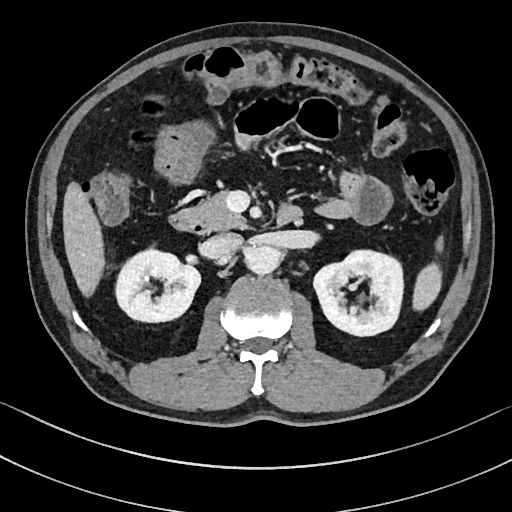 CT abdomen; axial plane, index 148; W/L 400/40 HU
{"organs":{"spleen":[413,237,442,310],"right kidney":[115,248,200,322],"left kidney":[313,250,403,335],"liver":[63,182,104,296],"aorta":[245,246,280,275],"inferior vena cava":[206,233,243,258],"pancreas":[181,192,246,230],"duodenum":[169,205,302,234]}}